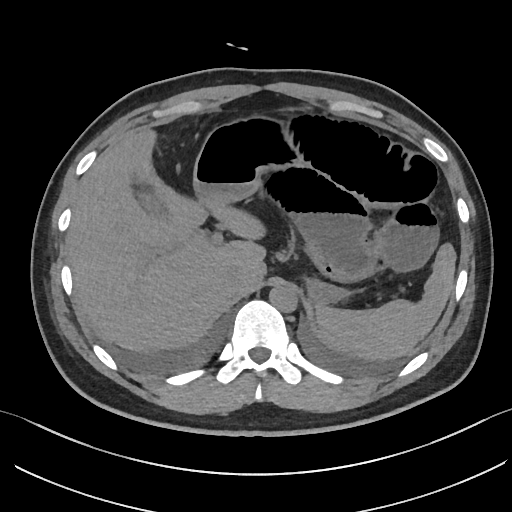 Computed tomography, abdomen. axial view. 512x512 px. acquired on SOMATOM Force
<organs><organ name="spleen" x1="315" y1="244" x2="455" y2="362"/><organ name="gall bladder" x1="136" y1="165" x2="173" y2="221"/><organ name="liver" x1="67" y1="130" x2="266" y2="353"/><organ name="stomach" x1="193" y1="118" x2="342" y2="303"/><organ name="aorta" x1="268" y1="285" x2="297" y2="312"/><organ name="inferior vena cava" x1="225" y1="268" x2="243" y2="292"/></organs>